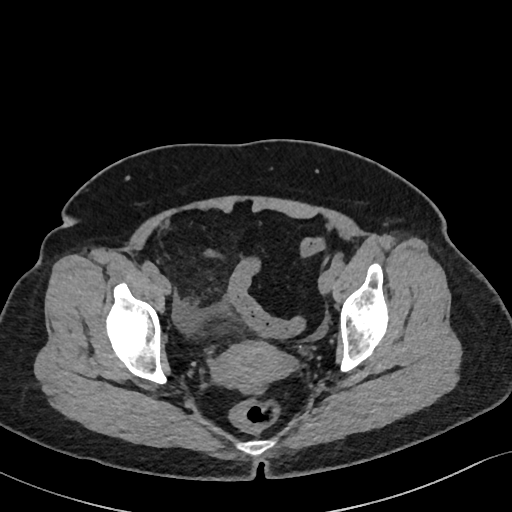 Computed tomography, abdomen; axial plane, index 29
Boxes are (x1, y1, x2, y2) in pixels. The annotated organs in this slice are: prostate/uterus at (212, 340, 291, 387).